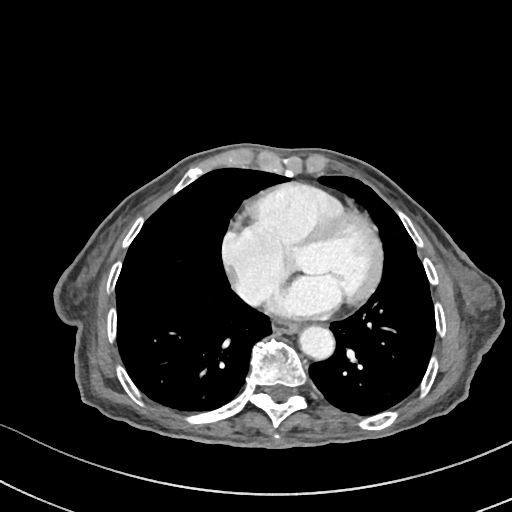
Lower-chest slice from an abdominal CT, just above the liver and spleen — axial plane, index 226 — soft-tissue window
Of the structures in the chest, this dataset labels only the esophagus, the aorta and the inferior vena cava; the heart and lungs have no label.
<organs><organ name="esophagus" x1="274" y1="322" x2="301" y2="334"/><organ name="aorta" x1="300" y1="327" x2="335" y2="360"/></organs>